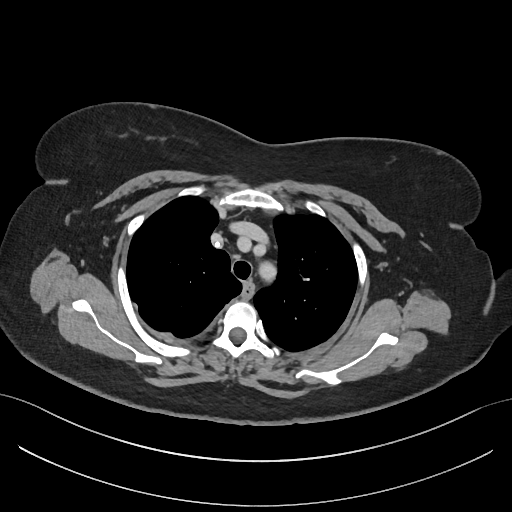 Abdominal CT reaching into the chest; this slice is in the chest · axial view · 512x512 px
At this level of the chest no structure but the esophagus and the aorta has a label in this dataset, and those two are boxed only where they are labeled.
{"organs":{"esophagus":[243,284,253,296]}}